Computed tomography, abdomen; axial plane, index 176; 512x512 px; 15 organs annotated in this scan (that count is for the whole scan; organs this slice misses have no box)
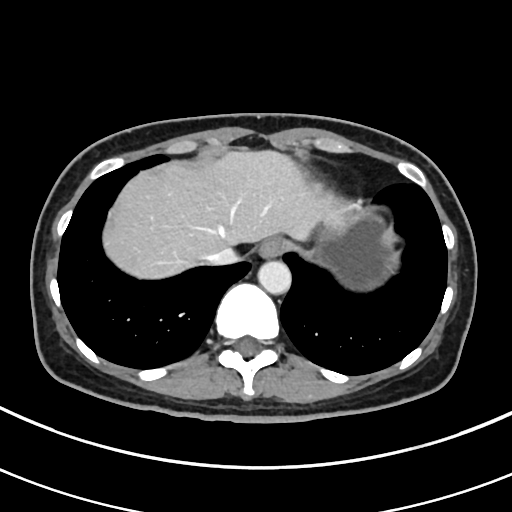

{"organs":{"esophagus":[259,235,285,259],"aorta":[257,260,291,293],"stomach":[316,211,397,291],"liver":[102,151,355,279],"inferior vena cava":[205,246,236,265]}}